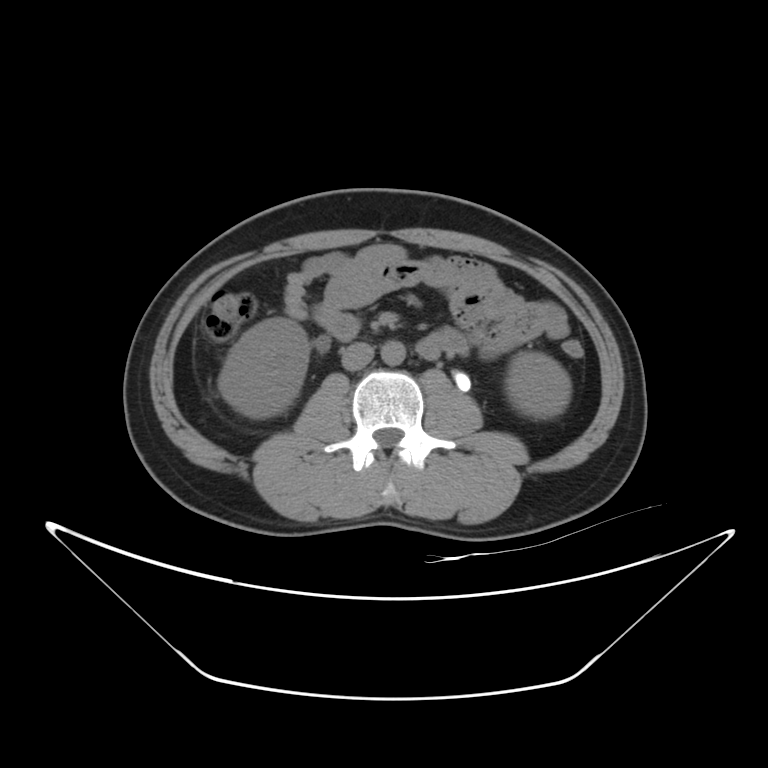

Abdominal CT · axial view
{"organs":{"right kidney":[218,318,309,418],"left kidney":[506,351,571,415],"aorta":[381,341,406,364],"inferior vena cava":[341,342,373,371]}}